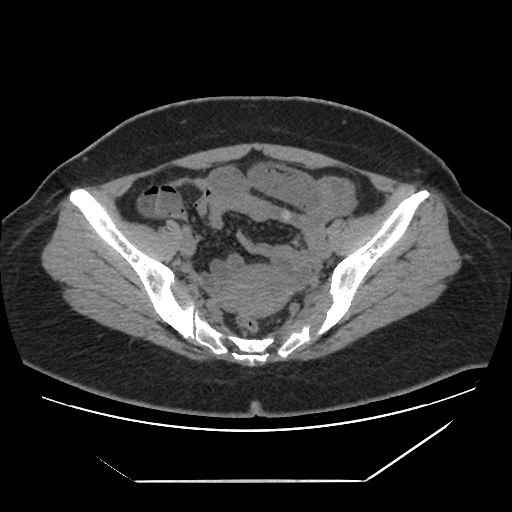

CT, abdomen/pelvis · Axial slice 79/345 · scan has 15 labeled organs (that count is for the whole scan; organs this slice misses have no box)
{"organs":{"prostate/uterus":[219,266,290,316]}}